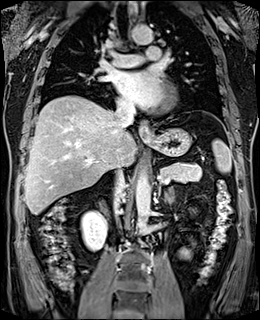 Abdominal MRI. coronal acquisition. 260x320 px. acquired on Prisma
Boxes: x1:y1:x2:y2 in pixels.
Organ bounding boxes:
- spleen: 212:138:231:172
- right kidney: 81:211:106:251
- esophagus: 139:121:150:139
- liver: 24:95:136:214
- stomach: 144:128:191:156
- aorta: 136:169:150:232
- aorta: 129:24:152:44
- inferior vena cava: 112:155:125:219
- inferior vena cava: 114:103:134:136
- pancreas: 160:162:201:182
- left adrenal gland: 158:185:174:202
- duodenum: 99:203:107:215